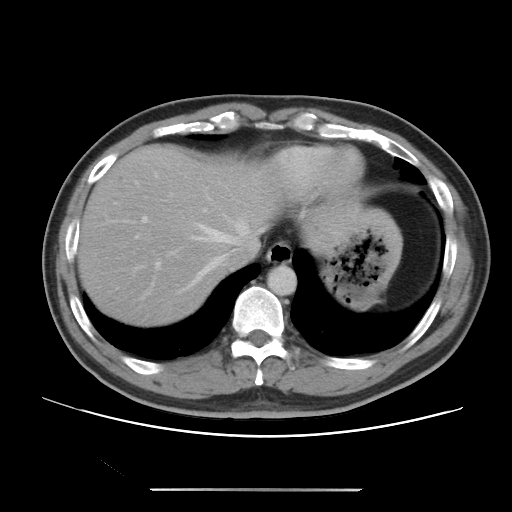

Abdominal CT; axial view; 512x512 px
Boxes: x1 y1 x2 y2 (pixel coords, space-separated). Labeled organs on this slice: esophagus at 266 241 292 264, liver at 78 145 401 326, stomach at 321 228 400 309, aorta at 267 265 296 295, inferior vena cava at 221 238 260 270.